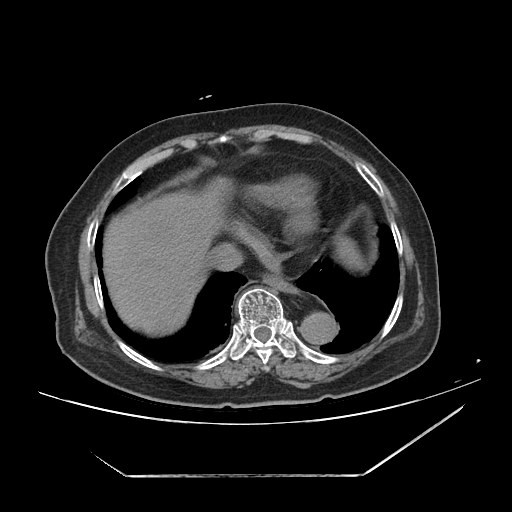
CT, abdomen/pelvis — axial plane, index 146 — scan has 15 labeled organs (a whole-scan count: organs this slice does not pass through have no box)
Organ boxes in pixel coordinates; each row gives the top-left (x1, y1) and bottom-right (x2, y2) corners.
| organ | x1 | y1 | x2 | y2 |
|---|---|---|---|---|
| liver | 103 | 177 | 231 | 335 |
| spleen | 337 | 239 | 360 | 265 |
| aorta | 300 | 311 | 337 | 344 |
| esophagus | 263 | 274 | 297 | 293 |
| inferior vena cava | 205 | 242 | 243 | 270 |